CT abdomen; axial view; soft-tissue window
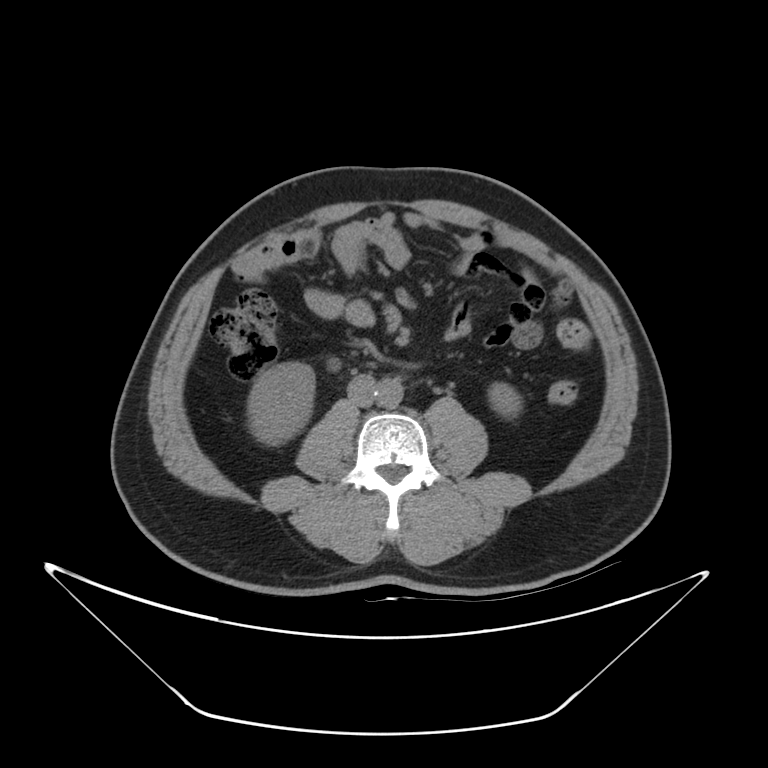 Box edges are left/top/right/bottom in pixels.
right kidney: left=248, top=363, right=314, bottom=445
aorta: left=375, top=378, right=403, bottom=408
left kidney: left=489, top=383, right=521, bottom=417
inferior vena cava: left=347, top=374, right=377, bottom=407